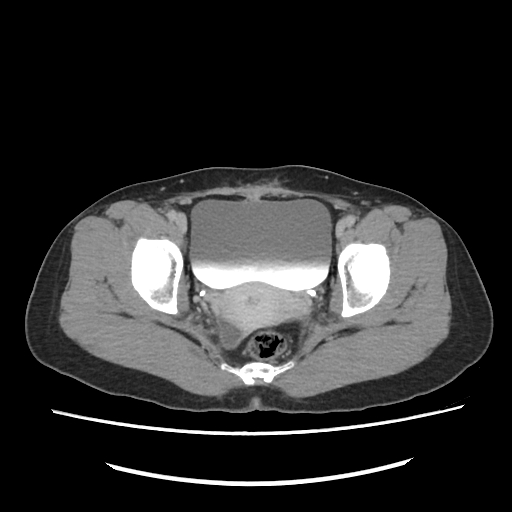
Abdominal CT; axial view; 512x512 px; 15 organs annotated in this scan (that count is for the whole scan; organs this slice misses have no box)
{"organs":{"bladder":[191,197,331,290],"prostate/uterus":[208,282,311,347]}}